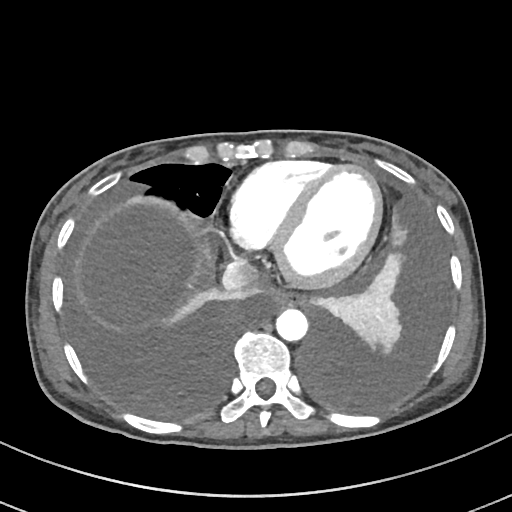
Abdominal CT; this slice is in the lower chest, just above the liver. axial plane, index 213. soft-tissue window
Of the structures in the chest, this dataset labels only the esophagus, the aorta and the inferior vena cava; the heart and lungs have no label.
Coordinates as <box>x1,y1,x2,y2</box> in pixels.
esophagus: <box>268,288,301,307</box>
aorta: <box>276,308,307,340</box>
inferior vena cava: <box>222,259,259,290</box>